Chest-level slice from an abdominal CT that extends up into the chest. Axial slice 280/291. 512x512 px
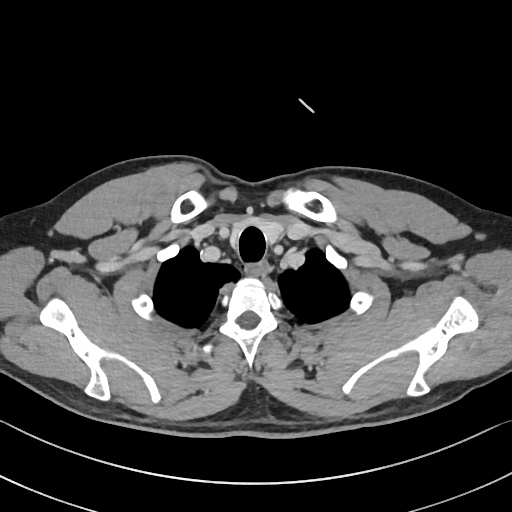

At this level of the chest this dataset labels only the esophagus and the aorta, and each is boxed only where it is labeled; the heart and lungs are never labeled.
One row per box, in pixels: columns x1 and y1 give the top-left corner, x2 and y2 the bottom-right.
| organ | x1 | y1 | x2 | y2 |
|---|---|---|---|---|
| esophagus | 246 | 262 | 267 | 276 |